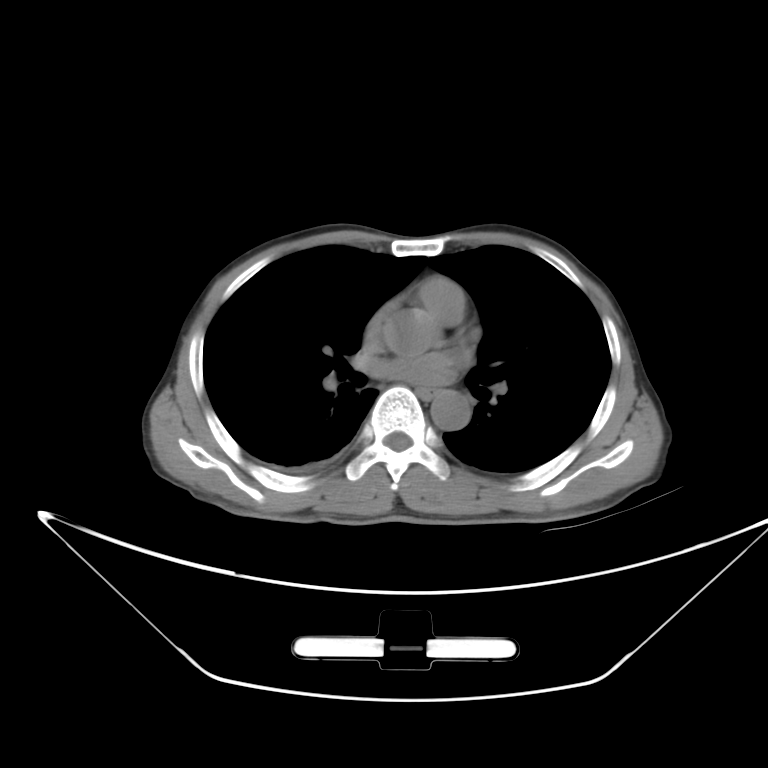
Lower-chest slice from an abdominal CT, just above the liver and spleen. axial view. 768x768 px. acquired on Brilliance16
Of the structures in the chest, this dataset labels only the esophagus, the aorta and the inferior vena cava; the heart and lungs have no label.
Bounding boxes as [x1, y1, x2, y2] in pixel coordinates.
Organ bounding boxes:
- esophagus: [417, 387, 439, 401]
- aorta: [431, 393, 466, 429]